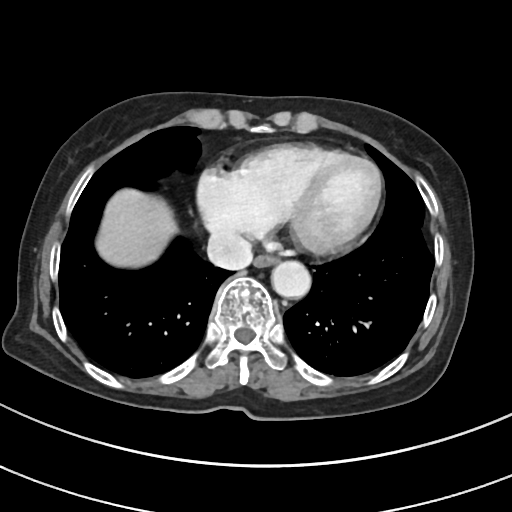 CT, abdomen/pelvis. Axial slice 189/284. 15 organs annotated in this scan (counted over the whole 3D scan, not this slice; an organ is boxed only where this slice passes through it)
Each box given as x1,y1,x2,y2.
Organ bounding boxes:
- esophagus: x1=254, y1=255, x2=277, y2=267
- liver: x1=96, y1=188, x2=177, y2=267
- aorta: x1=271, y1=261, x2=310, y2=297
- inferior vena cava: x1=207, y1=231, x2=252, y2=269